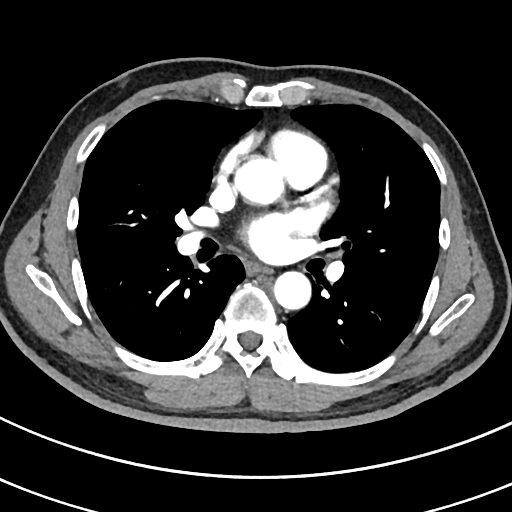

Chest-level CT slice, above the liver and spleen; axial view; W/L 400/40 HU
At this level of the chest this dataset labels only the esophagus and the aorta, and each is boxed only where it is labeled; the heart and lungs are never labeled.
One row per box, in pixels: columns x1 and y1 give the top-left corner, x2 and y2 the bottom-right.
| organ | x1 | y1 | x2 | y2 |
|---|---|---|---|---|
| esophagus | 247 | 264 | 270 | 273 |
| aorta | 237 | 157 | 287 | 205 |
| aorta | 274 | 270 | 311 | 309 |